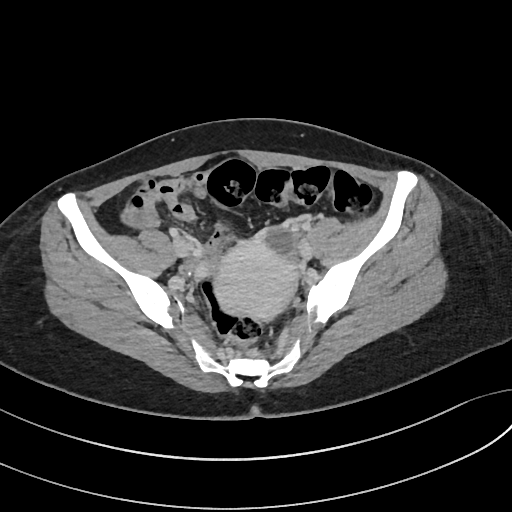 CT, abdomen/pelvis — axial view — SOMATOM Force scanner — scan has 15 labeled organs (counted over the whole 3D scan, not this slice; an organ is boxed only where this slice passes through it)
{"organs":{"prostate/uterus":[210,235,297,321]}}